CT abdomen; axial plane, index 183; 512x512 px; 15 organs annotated in this scan (that count is for the whole scan; organs this slice misses have no box)
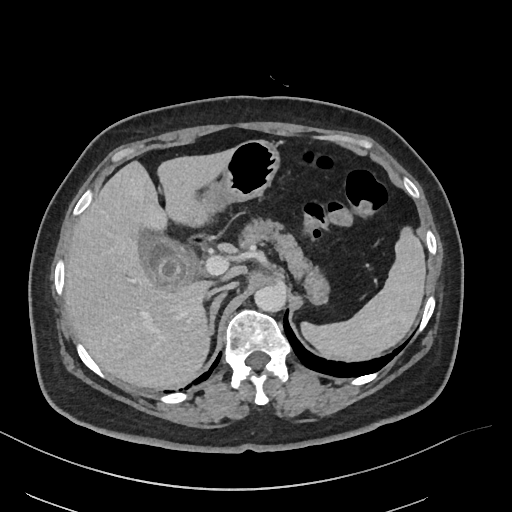
<organs><organ name="spleen" x1="301" y1="226" x2="426" y2="361"/><organ name="gall bladder" x1="139" y1="230" x2="193" y2="286"/><organ name="liver" x1="65" y1="149" x2="232" y2="389"/><organ name="stomach" x1="201" y1="140" x2="329" y2="304"/><organ name="aorta" x1="254" y1="284" x2="286" y2="312"/><organ name="inferior vena cava" x1="209" y1="282" x2="236" y2="294"/><organ name="pancreas" x1="239" y1="218" x2="316" y2="277"/><organ name="right adrenal gland" x1="208" y1="293" x2="226" y2="335"/></organs>